Computed tomography, abdomen — axial view — W/L 400/40 HU
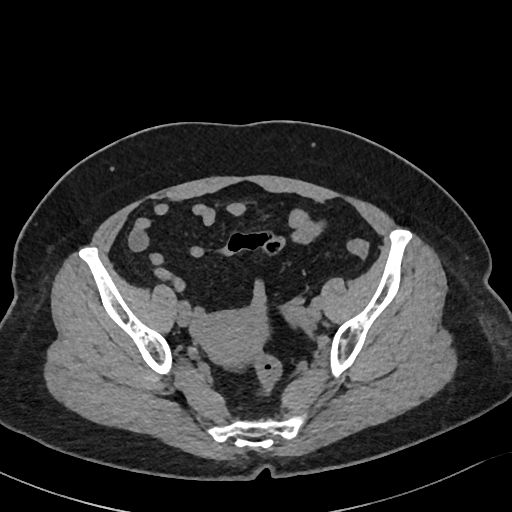

Box edges are left/top/right/bottom in pixels.
Organ bounding boxes:
- prostate/uterus: left=192, top=306, right=265, bottom=365